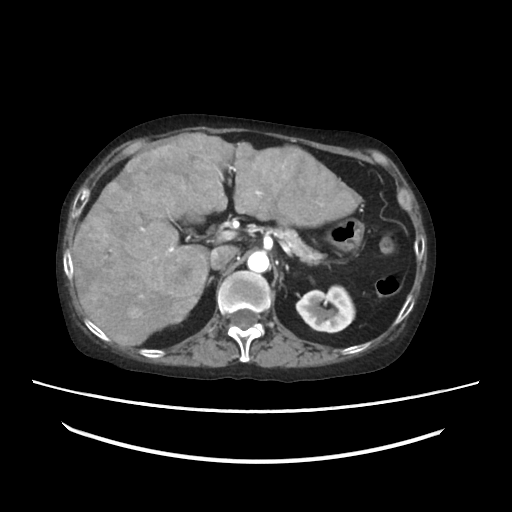
Abdominal CT · axial view · soft-tissue window (W 400 / L 40) · 512x512 px · Aquilion ONE scanner
Box edges are left/top/right/bottom in pixels. 8 labeled organs on this slice — left kidney at left=297, top=286, right=355, bottom=331; liver at left=72, top=133, right=360, bottom=346; stomach at left=325, top=218, right=364, bottom=251; aorta at left=247, top=252, right=269, bottom=272; inferior vena cava at left=209, top=246, right=236, bottom=270; pancreas at left=278, top=227, right=323, bottom=264; right adrenal gland at left=207, top=277, right=213, bottom=285; left adrenal gland at left=285, top=263, right=288, bottom=270.